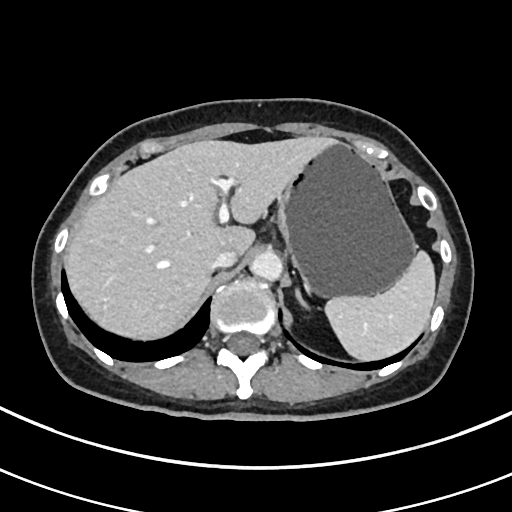 CT, abdomen/pelvis — axial view — 512x512 px — SOMATOM Force scanner — 15 organs annotated in this scan (a whole-scan count: organs this slice does not pass through have no box)
Boxes: x1:y1:x2:y2 in pixels. Labeled organs on this slice: stomach at 277:141:415:296, spleen at 325:249:436:361, left adrenal gland at 294:286:309:310, inferior vena cava at 211:249:236:270, aorta at 250:250:282:279, liver at 65:136:331:340.